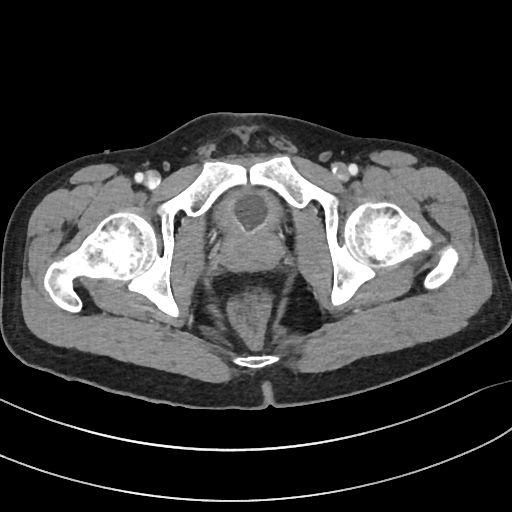
CT, abdomen/pelvis — axial view — abdomen soft-tissue window — 512x512 px
{"organs":{"prostate/uterus":[222,230,281,270],"bladder":[216,190,281,232]}}